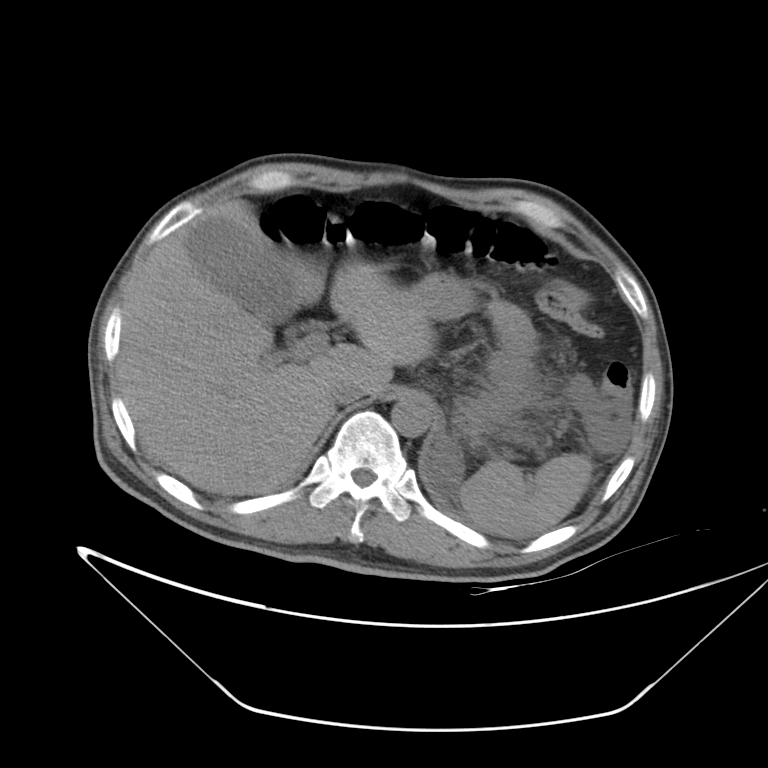
CT abdomen · axial view · soft-tissue window (W 400 / L 40) · Brilliance16 scanner
Each box given as x1,y1,x2,y2.
Organ bounding boxes:
- spleen: x1=460, y1=453, x2=591, y2=539
- gall bladder: x1=189, y1=218, x2=297, y2=323
- liver: x1=115, y1=198, x2=436, y2=495
- stomach: x1=409, y1=273, x2=538, y2=430
- aorta: x1=391, y1=395, x2=433, y2=436
- inferior vena cava: x1=326, y1=379, x2=362, y2=404